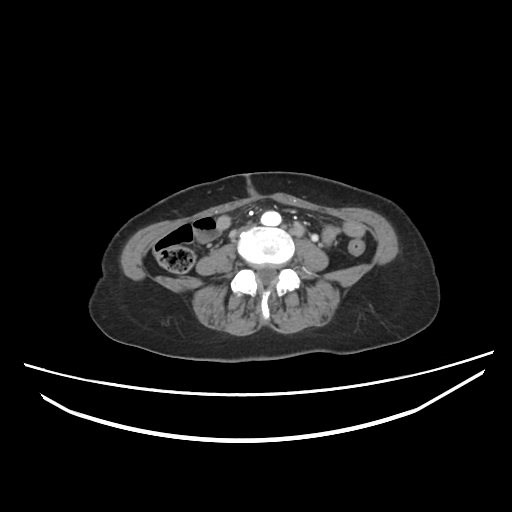

Abdominal CT; axial view; 512x512 px
Each box given as x1,y1,x2,y2.
aorta: x1=260, y1=210, x2=281, y2=225
inferior vena cava: x1=233, y1=224, x2=251, y2=235